Abdominal CT · axial plane, index 90 · 512x512 px
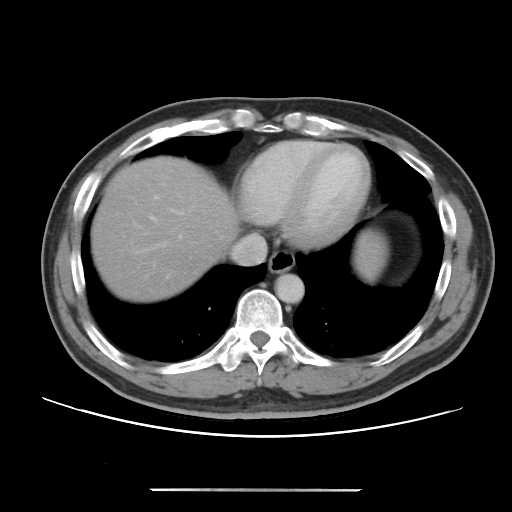

Boxes are (x1, y1, x2, y2) in pixels.
Organ bounding boxes:
- esophagus: (268, 251, 294, 273)
- aorta: (275, 274, 304, 303)
- inferior vena cava: (229, 233, 267, 266)
- liver: (90, 156, 387, 302)